Abdominal MR · coronal view · percentile-normalized · acquired on Prisma
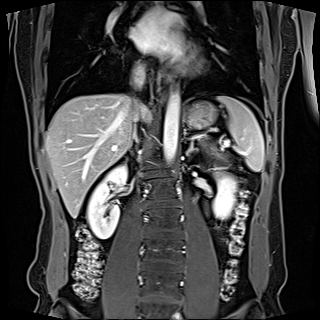
{"organs":{"spleen":[217,96,264,171],"right kidney":[87,165,126,238],"left kidney":[211,172,236,218],"esophagus":[161,70,171,97],"liver":[45,94,136,218],"stomach":[184,101,217,128],"aorta":[163,92,179,165],"inferior vena cava":[[130,93,146,138],[131,65,145,89]],"pancreas":[205,145,227,159],"right adrenal gland":[130,138,137,146],"left adrenal gland":[186,141,197,156]}}